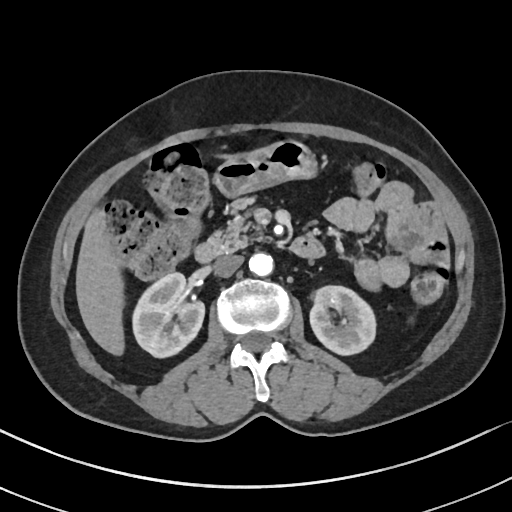
CT, abdomen/pelvis; axial view; 512x512 px
Bounding boxes as [x1, y1, x2, y2] in pixel coordinates.
Organ bounding boxes:
- right kidney: [133, 273, 204, 358]
- left kidney: [310, 285, 376, 355]
- liver: [76, 143, 273, 356]
- stomach: [213, 140, 320, 198]
- aorta: [249, 253, 273, 276]
- inferior vena cava: [213, 255, 244, 277]
- pancreas: [211, 198, 263, 251]
- duodenum: [194, 234, 326, 263]